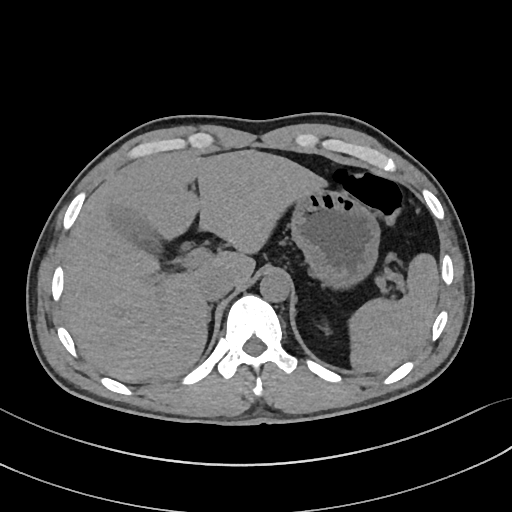 CT abdomen · Axial slice 192/228 · 15 organs annotated in this scan (counted over the whole 3D scan, not this slice; an organ is boxed only where this slice passes through it)
<organs><organ name="spleen" x1="348" y1="253" x2="439" y2="372"/><organ name="gall bladder" x1="109" y1="207" x2="160" y2="252"/><organ name="liver" x1="63" y1="150" x2="326" y2="382"/><organ name="stomach" x1="290" y1="189" x2="380" y2="288"/><organ name="aorta" x1="260" y1="271" x2="291" y2="302"/><organ name="inferior vena cava" x1="199" y1="269" x2="234" y2="301"/></organs>